CT abdomen · axial plane, index 133 · soft-tissue window · 15 organs annotated in this scan (that count is for the whole scan; organs this slice misses have no box)
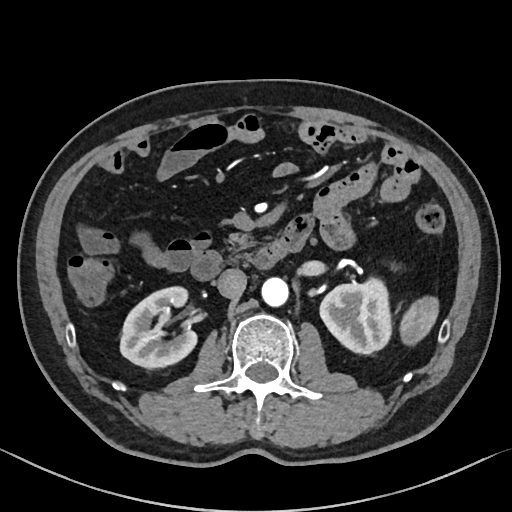 Each box given as x1,y1,x2,y2.
Organ bounding boxes:
- left kidney: x1=320, y1=277, x2=391, y2=353
- aorta: x1=261, y1=277, x2=288, y2=307
- duodenum: x1=191, y1=229, x2=305, y2=280
- right kidney: x1=120, y1=286, x2=197, y2=368
- spleen: x1=399, y1=296, x2=438, y2=345
- inferior vena cava: x1=217, y1=269, x2=246, y2=298
- pancreas: x1=224, y1=232, x2=256, y2=259